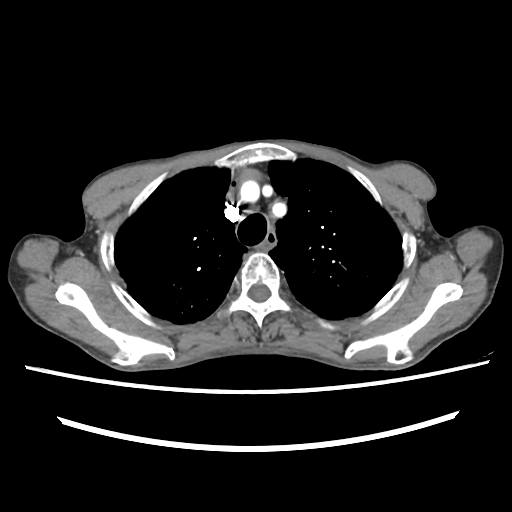
CT of the abdomen extending into the chest, slice through the chest · axial view · soft-tissue window (W 400 / L 40)
At this level of the chest no structure but the esophagus and the aorta has a label in this dataset, and those two are boxed only where they are labeled.
<organs><organ name="esophagus" x1="257" y1="228" x2="275" y2="251"/></organs>